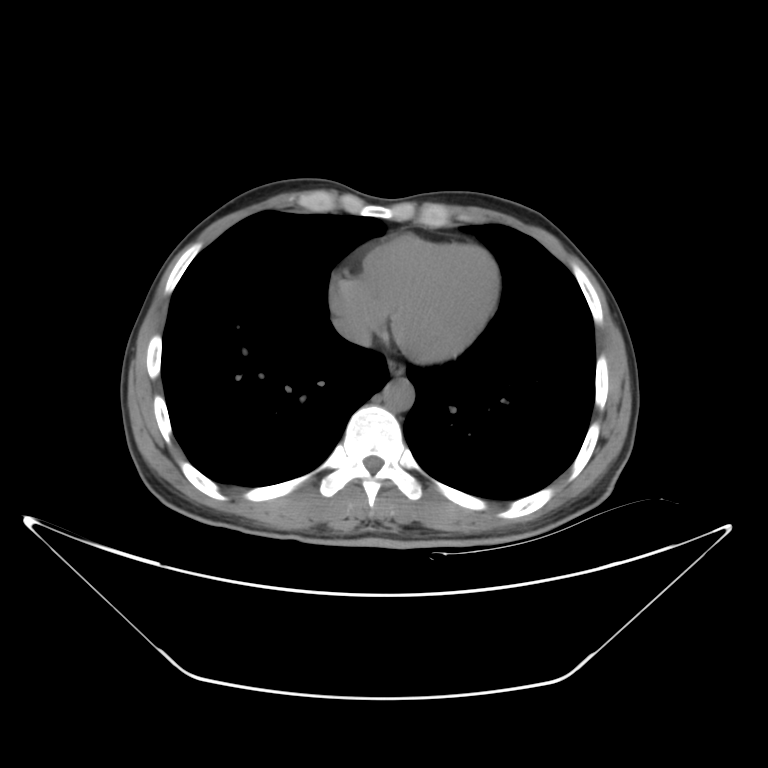
CT of the abdomen reaching into the lower chest, slice just above the liver and spleen · axial view · W/L 400/40 HU · 768x768 px · Brilliance16 scanner
No part of the heart or lungs is labeled in this dataset, so neither has a box here.
Boxes: x1 y1 x2 y2 (pixel coords, space-separated).
esophagus: 389 358 403 373
aorta: 384 380 414 411
inferior vena cava: 333 312 373 351